Abdominal CT · axial view · 512x512 px
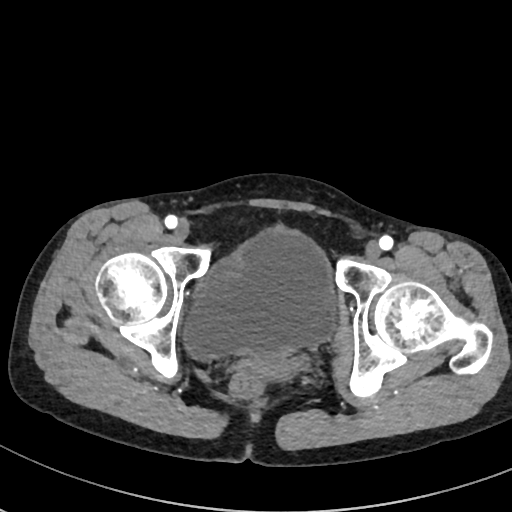

Bounding boxes as [x1, y1, x2, y2] in pixel coordinates.
Organ bounding boxes:
- bladder: [184, 228, 334, 358]